Computed tomography, abdomen; axial view; W/L 400/40 HU; Brilliance16 scanner; 15 organs annotated in this scan (a whole-scan count: organs this slice does not pass through have no box)
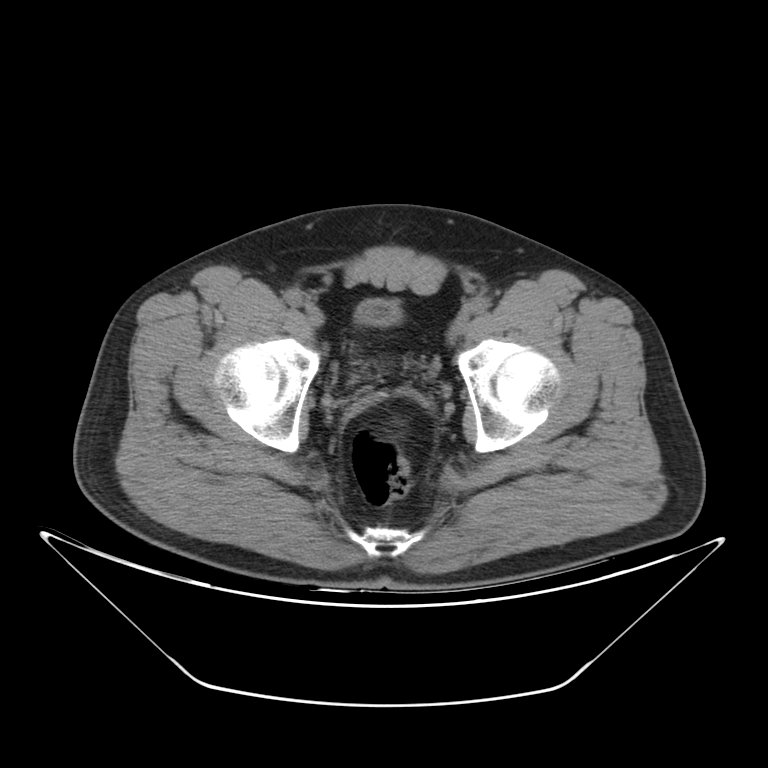

<organs><organ name="bladder" x1="355" y1="298" x2="400" y2="326"/></organs>